CT abdomen. axial view. 512x512 px. 61-year-old female patient
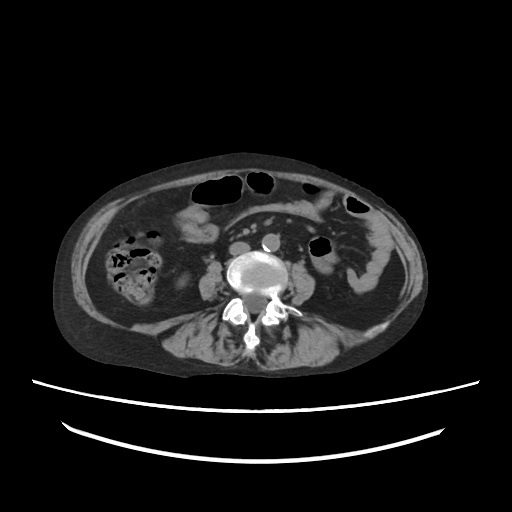
Box edges are left/top/right/bottom in pixels.
Organ bounding boxes:
- inferior vena cava: left=229, top=241, right=250, bottom=255
- aorta: left=262, top=233, right=280, bottom=251
- right kidney: left=176, top=274, right=188, bottom=287